CT, abdomen/pelvis. axial plane, index 153. soft-tissue window. 512x512 px
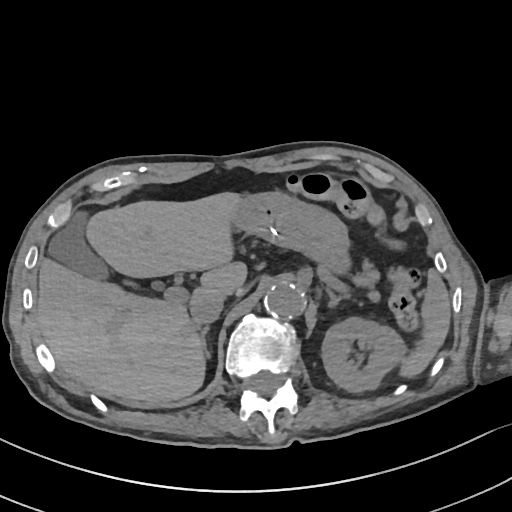 Boxes: x1 y1 x2 y2 (pixel coords, space-separated).
Organ bounding boxes:
- spleen: 401 271 451 376
- left kidney: 322 317 403 392
- gall bladder: 48 210 106 278
- liver: 35 192 248 402
- stomach: 231 192 348 270
- aorta: 263 281 305 319
- inferior vena cava: 190 294 224 325
- pancreas: 362 263 375 278
- right adrenal gland: 201 328 210 357
- left adrenal gland: 327 290 351 309